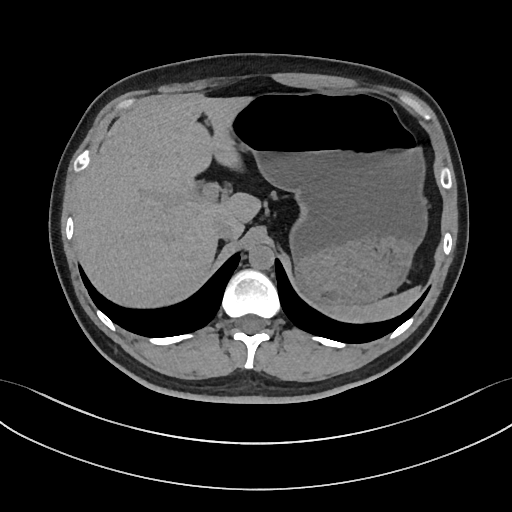 Abdominal CT. Axial slice 184/225. soft-tissue window (W 400 / L 40)
Each box given as x1,y1,x2,y2.
spleen: x1=331, y1=287, x2=418, y2=322
liver: x1=74, y1=93, x2=260, y2=307
stomach: x1=231, y1=93, x2=427, y2=307
aorta: x1=248, y1=244, x2=274, y2=269
inferior vena cava: x1=212, y1=219, x2=234, y2=239